Abdominal CT · axial view · acquired on Aquilion ONE · scan has 15 labeled organs (a whole-scan count: organs this slice does not pass through have no box)
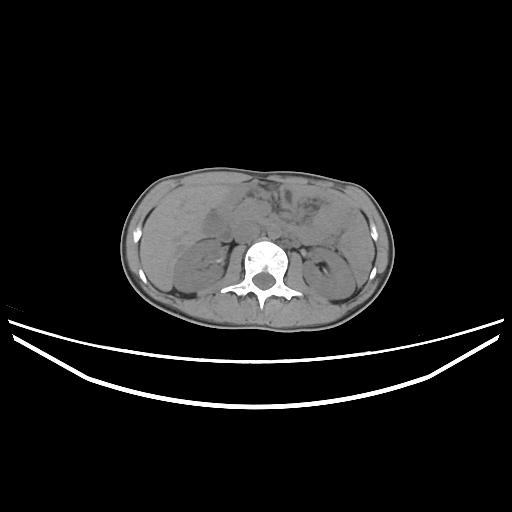
Boxes: x1 y1 x2 y2 (pixel coords, space-separated).
right kidney: 173 239 223 292
inferior vena cava: 233 223 259 243
aorta: 267 225 281 238
liver: 140 184 230 291
duodenum: 215 218 284 242
left kidney: 303 248 355 299
gall bladder: 203 209 226 236
pancreas: 234 201 264 224